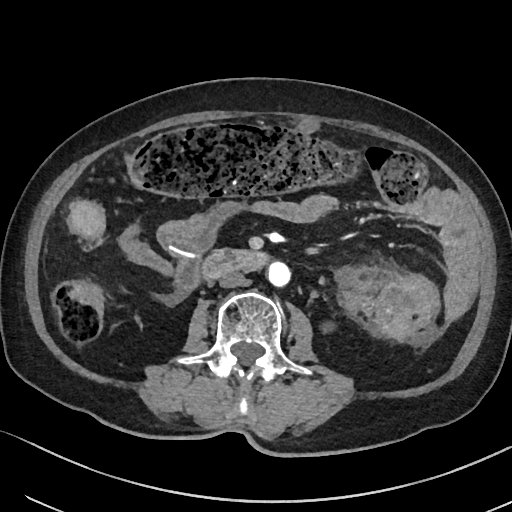

CT, abdomen/pelvis. axial view. 512x512 px. SOMATOM Force scanner
<organs><organ name="inferior vena cava" x1="219" y1="271" x2="246" y2="287"/><organ name="left kidney" x1="321" y1="321" x2="332" y2="332"/><organ name="aorta" x1="268" y1="262" x2="290" y2="286"/><organ name="duodenum" x1="201" y1="249" x2="267" y2="280"/></organs>